Magnetic resonance imaging, abdomen. Coronal slice 124/144. percentile-normalized
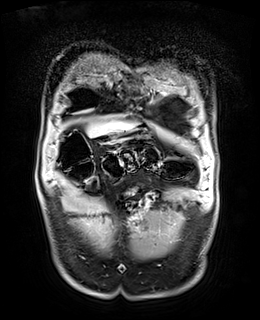

Boxes: x1:y1:x2:y2 in pixels.
Organ bounding boxes:
- liver: 87:121:134:136
- stomach: 106:128:147:145